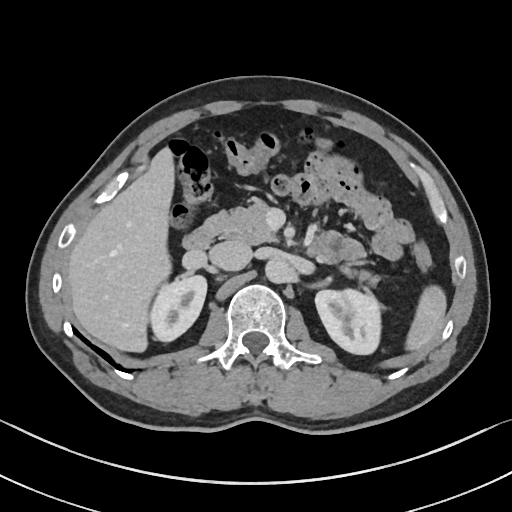 CT abdomen; axial plane, index 133; soft-tissue window
<organs><organ name="spleen" x1="405" y1="287" x2="447" y2="352"/><organ name="duodenum" x1="184" y1="210" x2="226" y2="251"/><organ name="aorta" x1="265" y1="258" x2="292" y2="284"/><organ name="liver" x1="66" y1="146" x2="174" y2="353"/><organ name="right kidney" x1="151" y1="276" x2="206" y2="340"/><organ name="inferior vena cava" x1="210" y1="240" x2="251" y2="271"/><organ name="pancreas" x1="224" y1="199" x2="383" y2="288"/><organ name="left kidney" x1="315" y1="289" x2="379" y2="354"/></organs>